Chest-level slice from an abdominal CT that extends up into the chest. axial view. 512x512 px
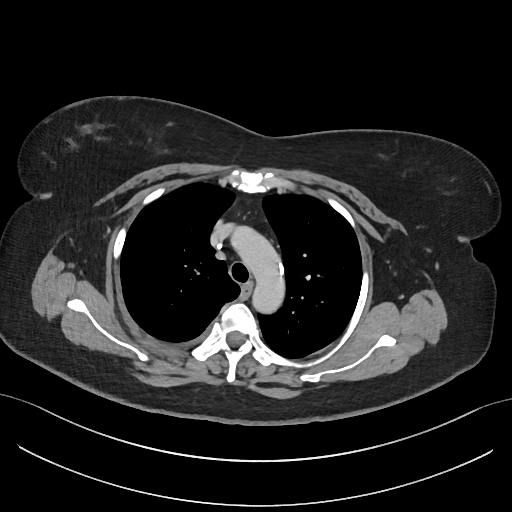
At this level of the chest this dataset labels only the esophagus and the aorta, and each is boxed only where it is labeled; the heart and lungs are never labeled.
<organs><organ name="esophagus" x1="242" y1="284" x2="251" y2="296"/><organ name="aorta" x1="232" y1="228" x2="285" y2="311"/></organs>